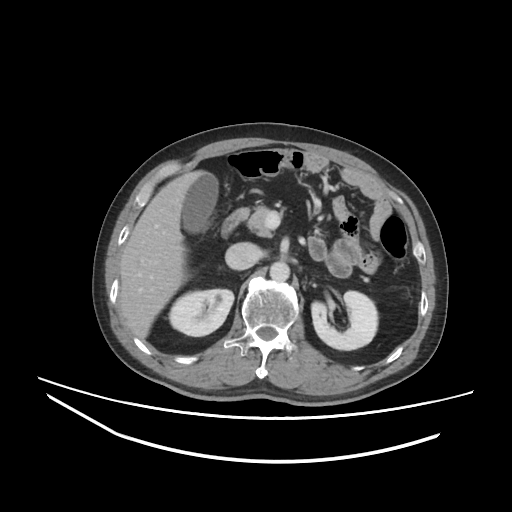 Abdominal CT — axial view — 54-year-old male patient
<organs><organ name="pancreas" x1="247" y1="206" x2="271" y2="236"/><organ name="right kidney" x1="169" y1="289" x2="234" y2="336"/><organ name="gall bladder" x1="182" y1="173" x2="218" y2="233"/><organ name="left kidney" x1="311" y1="291" x2="377" y2="350"/><organ name="liver" x1="119" y1="170" x2="206" y2="339"/><organ name="inferior vena cava" x1="225" y1="242" x2="260" y2="269"/><organ name="aorta" x1="269" y1="261" x2="289" y2="281"/><organ name="duodenum" x1="221" y1="208" x2="249" y2="236"/></organs>